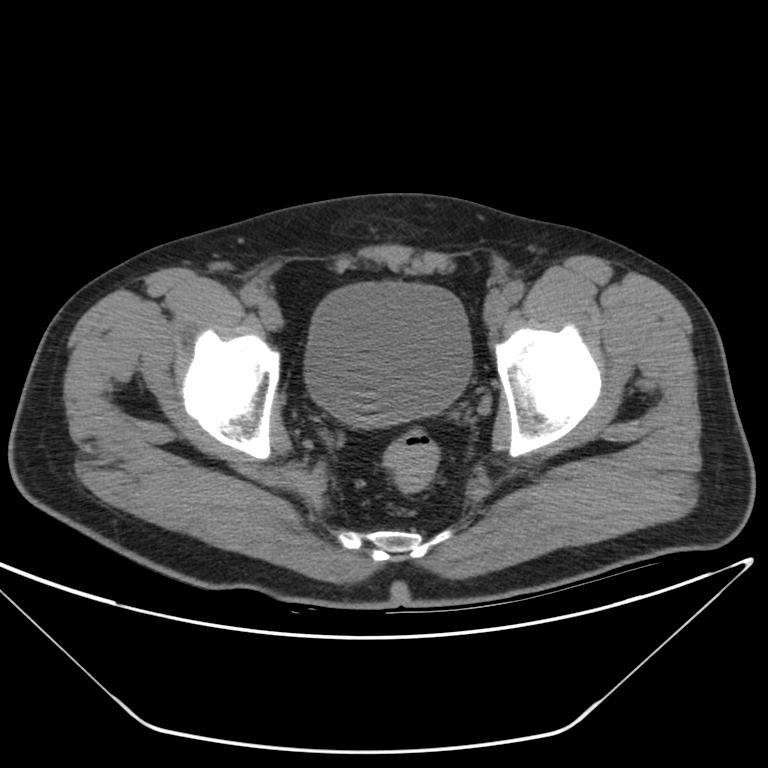 Computed tomography, abdomen · axial view · 45-year-old male patient
Bounding boxes as [x1, y1, x2, y2] in pixel coordinates.
Organ bounding boxes:
- bladder: [307, 280, 473, 429]